Computed tomography, abdomen; axial view; soft-tissue window (W 400 / L 40); 512x512 px; 50-year-old female patient
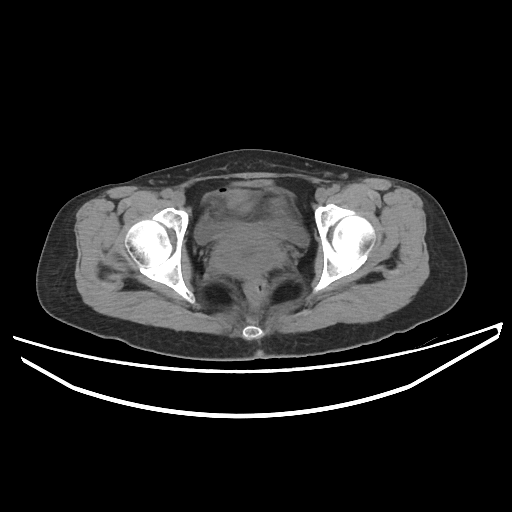 Bounding boxes in pixels, one row per box: x1, y1 is the top-left corner and x2, y2 the bottom-right.
| organ | x1 | y1 | x2 | y2 |
|---|---|---|---|---|
| prostate/uterus | 212 | 228 | 283 | 278 |
| bladder | 194 | 179 | 308 | 246 |